Computed tomography, abdomen — axial view — scan has 15 labeled organs (that count is for the whole scan; organs this slice misses have no box)
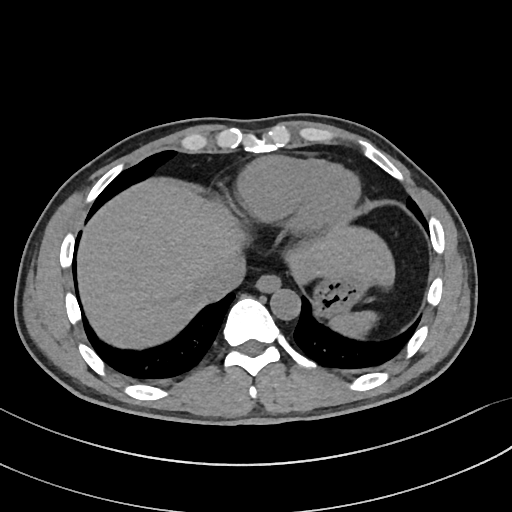

Bounding boxes in pixels, one row per box: x1, y1 is the top-left corner and x2, y2 the bottom-right.
| organ | x1 | y1 | x2 | y2 |
|---|---|---|---|---|
| spleen | 328 | 311 | 376 | 337 |
| esophagus | 255 | 275 | 281 | 293 |
| liver | 79 | 180 | 393 | 347 |
| stomach | 315 | 276 | 366 | 314 |
| aorta | 271 | 289 | 301 | 320 |
| inferior vena cava | 200 | 254 | 246 | 297 |